Abdominal CT; axial plane, index 59; soft-tissue window (W 400 / L 40); 68-year-old male patient
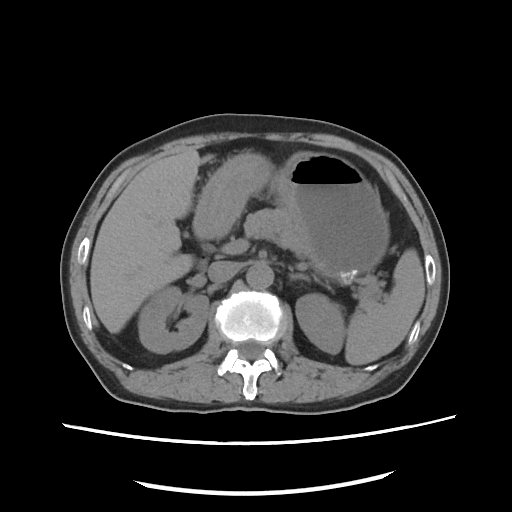

Bounding boxes as [x1, y1, x2, y2] in pixel coordinates. 10 labeled organs on this slice — duodenum at [193, 224, 206, 266]; left adrenal gland at [289, 267, 307, 279]; stomach at [194, 152, 389, 279]; spleen at [345, 249, 425, 365]; right kidney at [138, 286, 208, 353]; left kidney at [295, 293, 345, 354]; liver at [90, 147, 213, 333]; aorta at [246, 263, 273, 289]; pancreas at [244, 208, 378, 301]; inferior vena cava at [208, 261, 240, 282].